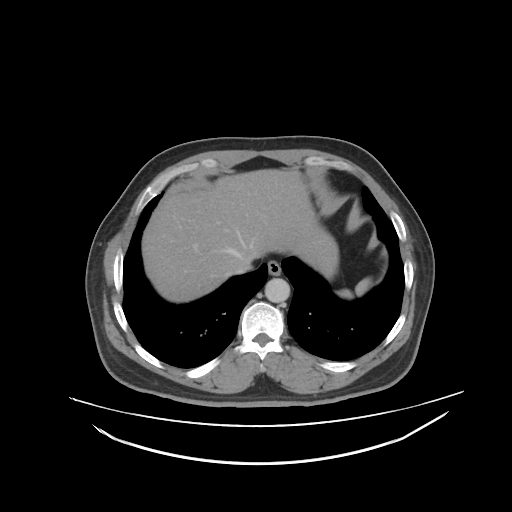
CT, abdomen/pelvis. axial plane, index 86. W/L 400/40 HU
Boxes are (x1, y1, x2, y2) in pixels.
spleen: (335, 278, 372, 297)
esophagus: (267, 261, 281, 275)
liver: (142, 169, 337, 303)
stomach: (328, 276, 331, 280)
aorta: (264, 278, 290, 303)
inferior vena cava: (231, 258, 252, 274)